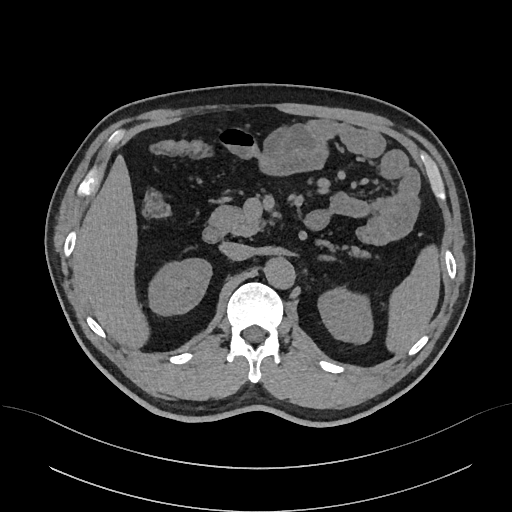

Computed tomography, abdomen. axial view. abdomen soft-tissue window
{"organs":{"liver":[73,154,154,348],"left adrenal gland":[322,253,337,261],"duodenum":[202,227,225,243],"pancreas":[208,205,369,255],"spleen":[385,244,440,354],"right kidney":[150,259,211,315],"aorta":[265,258,295,289],"inferior vena cava":[220,242,252,261],"left kidney":[319,288,373,343]}}